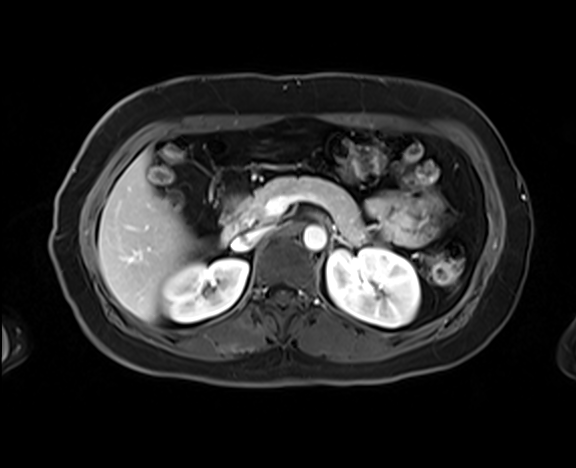 Abdominal MR — axial view — 1st–99th percentile window — acquired on Prisma
{"organs":{"inferior vena cava":[232,226,271,249],"duodenum":[221,194,241,242],"left adrenal gland":[331,233,348,245],"left kidney":[327,248,419,327],"liver":[98,151,199,321],"right kidney":[162,259,248,321],"aorta":[303,225,326,250],"pancreas":[239,176,366,242]}}